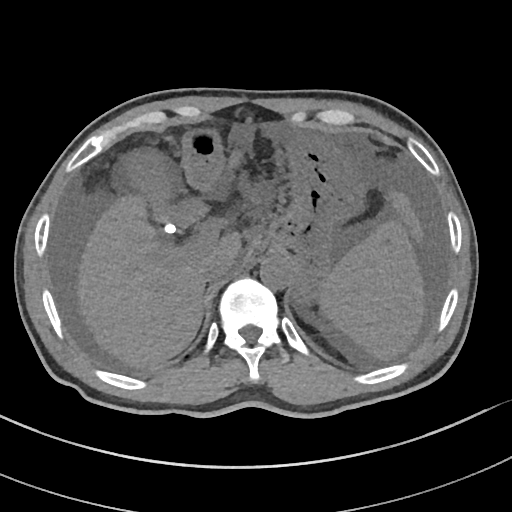 Abdominal CT — Axial slice 171/206 — soft-tissue window — 512x512 px
Boxes: x1:y1:x2:y2 in pixels.
Organ bounding boxes:
- spleen: 320:220:425:361
- stomach: 180:126:368:298
- gall bladder: 125:153:205:232
- aorta: 259:253:293:288
- liver: 75:190:424:367
- inferior vena cava: 202:254:234:282